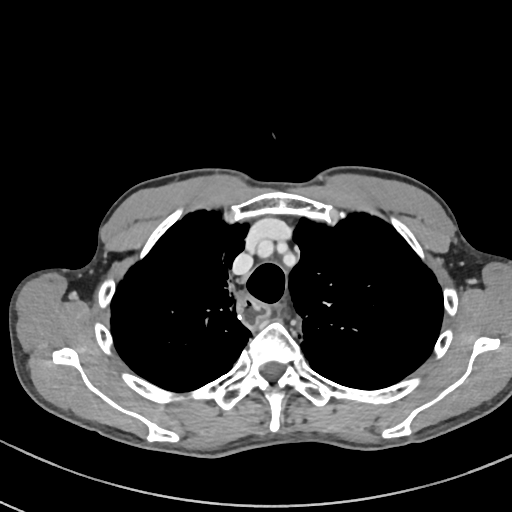

Chest-level CT slice, above the liver and spleen. axial view. 512x512 px. 15 organs annotated in this scan (counted over the whole 3D scan, not this slice; an organ is boxed only where this slice passes through it)
At this level of the chest this dataset labels only the esophagus and the aorta, and each is boxed only where it is labeled; the heart and lungs are never labeled.
Boxes are (x1, y1, x2, y2) in pixels.
esophagus: (236, 291, 271, 328)